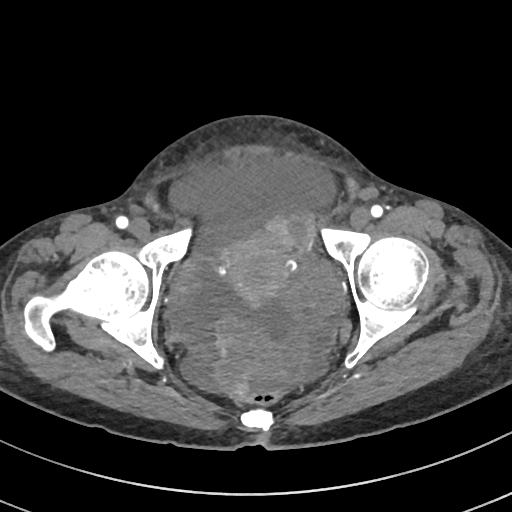
Computed tomography, abdomen — axial view — W/L 400/40 HU
One row per box, in pixels: columns x1 and y1 give the top-left corner, x2 and y2 the bottom-right.
| organ | x1 | y1 | x2 | y2 |
|---|---|---|---|---|
| prostate/uterus | 221 | 234 | 293 | 305 |